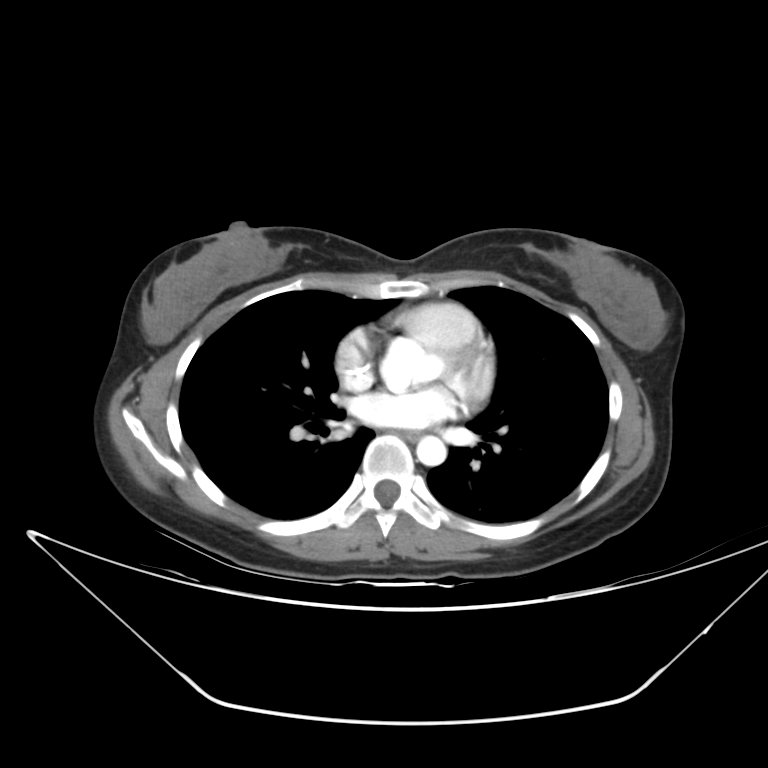 CT of the abdomen reaching into the lower chest, slice just above the liver and spleen · Axial slice 47/72 · W/L 400/40 HU
The heart and lungs are never labeled in this dataset, so they have no box on this slice.
Coordinates as <box>x1,y1,x2,y2</box> in pixels.
esophagus: <box>407,431,421,439</box>
aorta: <box>416,436,446,466</box>